CT, abdomen/pelvis — axial view
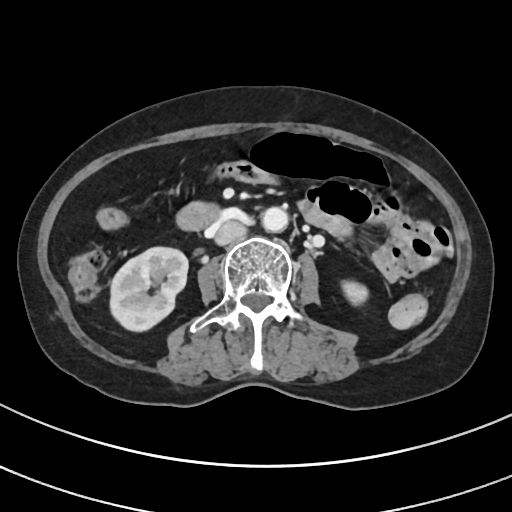 <organs><organ name="right kidney" x1="110" y1="247" x2="188" y2="331"/><organ name="left kidney" x1="342" y1="280" x2="368" y2="305"/><organ name="aorta" x1="262" y1="207" x2="288" y2="232"/><organ name="inferior vena cava" x1="214" y1="220" x2="246" y2="244"/><organ name="duodenum" x1="176" y1="202" x2="221" y2="231"/></organs>